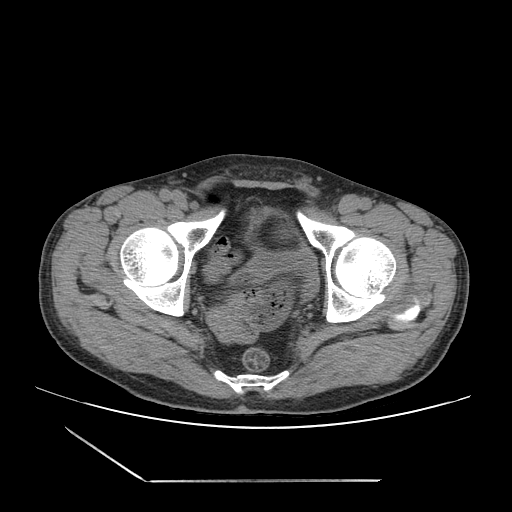

Abdominal CT — axial view — 15 organs annotated in this scan (that count is for the whole scan; organs this slice misses have no box)
Each box given as x1,y1,x2,y2.
bladder: x1=229, y1=205, x2=317, y2=301